CT, abdomen/pelvis — axial view — 50-year-old male patient
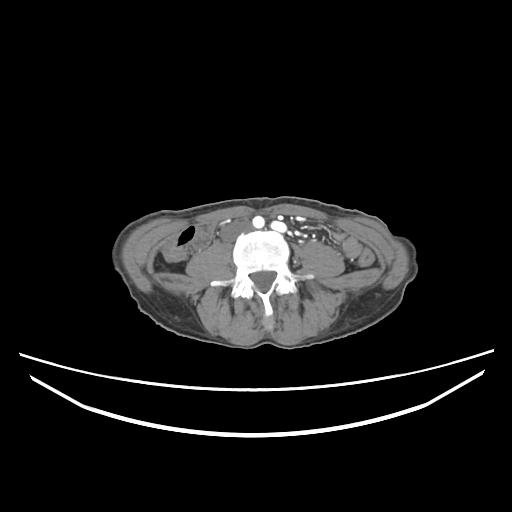
One row per box, in pixels: columns x1 and y1 give the top-left corner, x2 and y2 the bottom-right.
| organ | x1 | y1 | x2 | y2 |
|---|---|---|---|---|
| inferior vena cava | 221 | 220 | 251 | 241 |